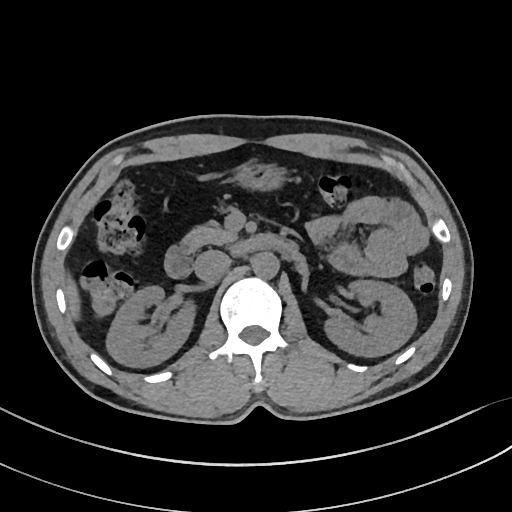

Computed tomography, abdomen. axial view
Boxes: x1 y1 x2 y2 (pixel coords, space-separated).
Organ bounding boxes:
- right kidney: 107 286 197 367
- left kidney: 323 280 416 357
- liver: 65 275 78 316
- stomach: 233 162 284 190
- aorta: 252 253 278 279
- inferior vena cava: 194 250 230 280
- pancreas: 180 222 238 251
- duodenum: 165 233 295 277